Abdominal CT; axial view; soft-tissue window; 768x768 px; acquired on Brilliance16; 15 organs annotated in this scan (a whole-scan count: organs this slice does not pass through have no box)
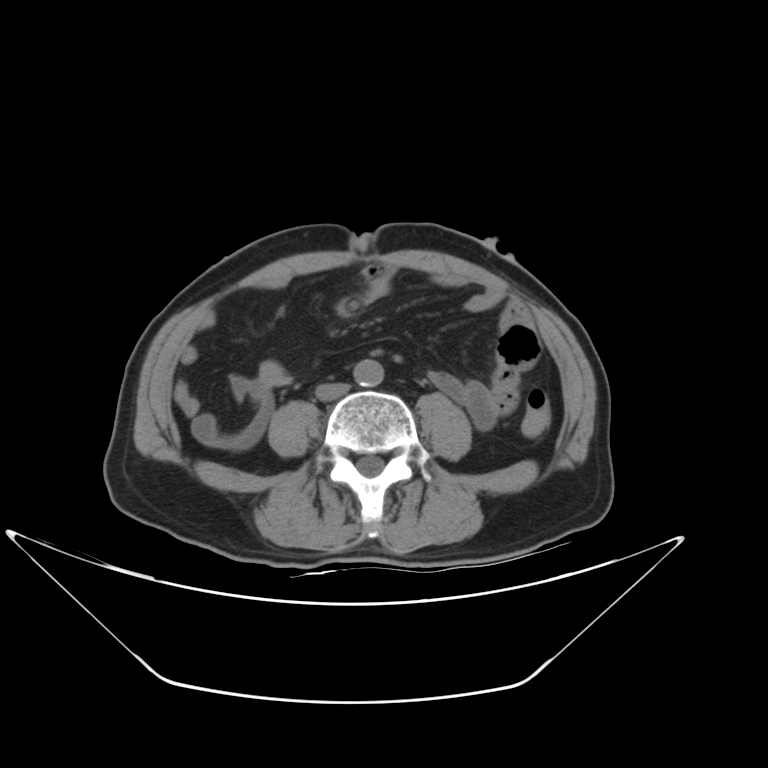
One row per box, in pixels: columns x1 and y1 give the top-left corner, x2 and y2 the bottom-right.
| organ | x1 | y1 | x2 | y2 |
|---|---|---|---|---|
| aorta | 353 | 360 | 383 | 387 |
| inferior vena cava | 315 | 383 | 350 | 401 |